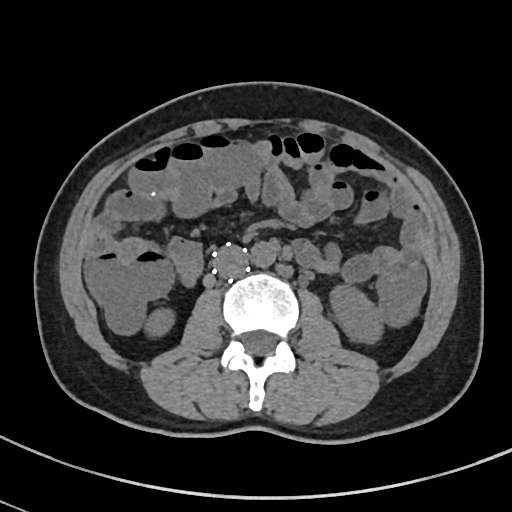
Computed tomography, abdomen; Axial slice 128/218; 512x512 px; acquired on SOMATOM Force
{"organs":{"right kidney":[146,309,173,334],"left kidney":[330,287,380,342],"aorta":[247,241,277,267],"inferior vena cava":[213,247,248,279]}}